CT, abdomen/pelvis · axial view · 67-year-old male patient · Aquilion ONE scanner
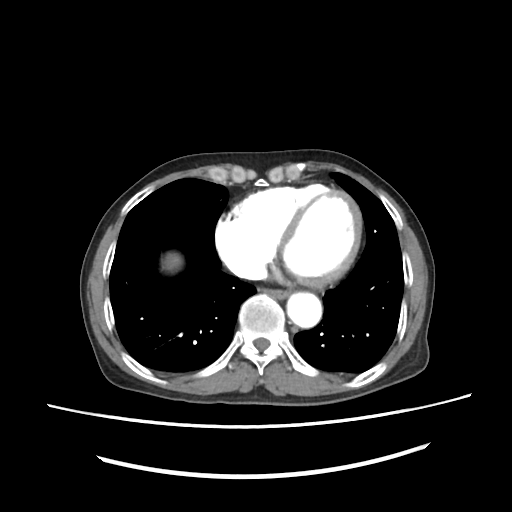

One row per box, in pixels: columns x1 and y1 give the top-left corner, x2 and y2 the bottom-right.
| organ | x1 | y1 | x2 | y2 |
|---|---|---|---|---|
| esophagus | 272 | 291 | 288 | 297 |
| liver | 165 | 254 | 177 | 268 |
| aorta | 284 | 292 | 321 | 326 |